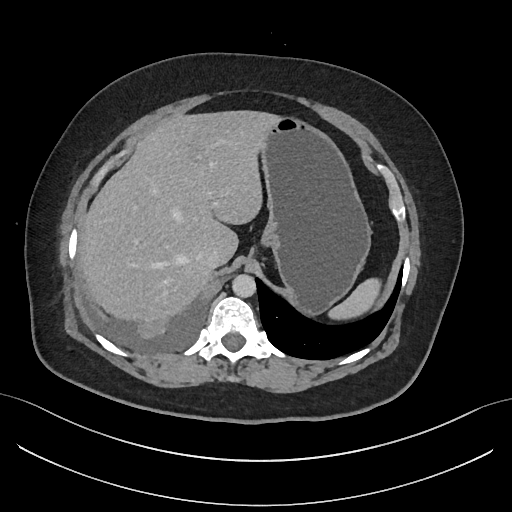
Computed tomography, abdomen. axial plane, index 183. W/L 400/40 HU. 512x512 px. 15 organs annotated in this scan (that count is for the whole scan; organs this slice misses have no box)
Boxes: x1 y1 x2 y2 (pixel coords, space-separated). The annotated organs in this slice are: spleen at 328 278 381 320, liver at 83 110 278 322, stomach at 260 117 371 314, aorta at 232 274 256 297, inferior vena cava at 196 247 221 269.